Computed tomography, abdomen. axial view. W/L 400/40 HU. 768x768 px. 56-year-old male patient. acquired on Brilliance16
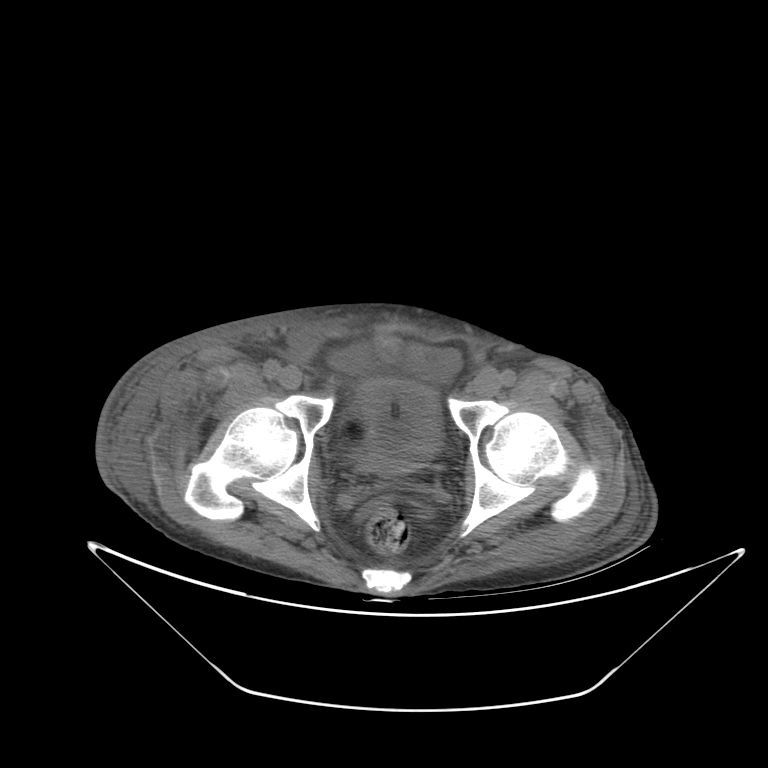

Bounding boxes as [x1, y1, x2, y2] in pixel coordinates.
bladder: [356, 379, 440, 475]